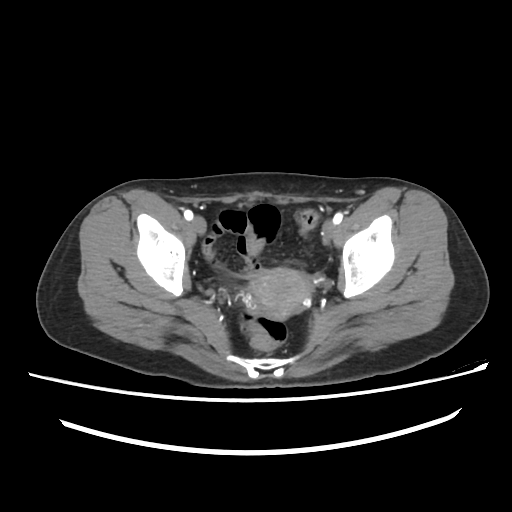
CT, abdomen/pelvis. axial plane, index 22. 512x512 px. 15 organs annotated in this scan (that count is for the whole scan; organs this slice misses have no box)
Boxes: x1:y1:x2:y2 in pixels. The annotated organs in this slice are: prostate/uterus at 246:268:313:319.